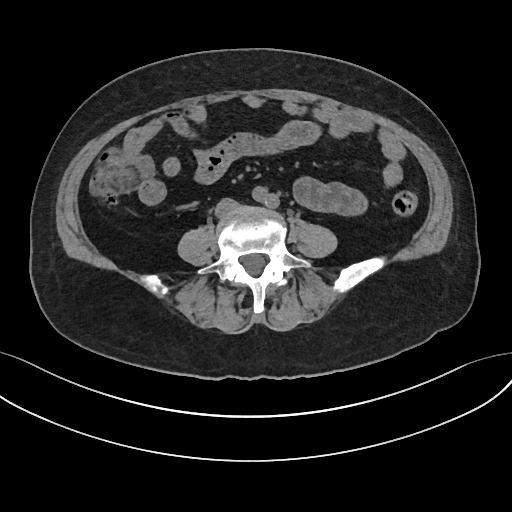

Abdominal CT — axial view — abdomen soft-tissue window — 15 organs annotated in this scan (a whole-scan count: organs this slice does not pass through have no box)
Coordinates as <box>x1,y1,x2,y2</box> in pixels.
Organ bounding boxes:
- inferior vena cava: <box>216,200,236,214</box>